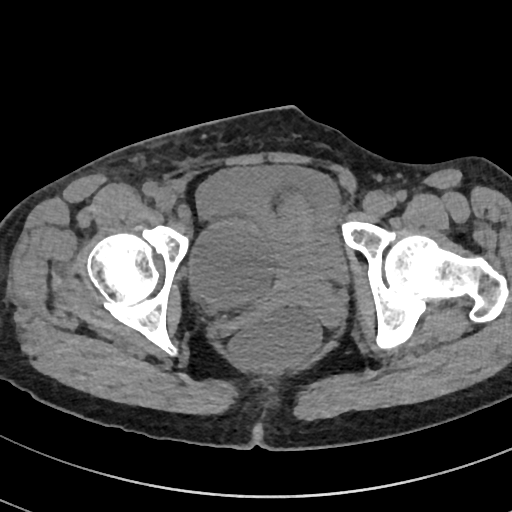
CT abdomen · Axial slice 23/218 · soft-tissue window · scan has 15 labeled organs (counted over the whole 3D scan, not this slice; an organ is boxed only where this slice passes through it)
Boxes: x1:y1:x2:y2 in pixels.
prostate/uterus: 261:198:343:322
bladder: 196:167:348:284